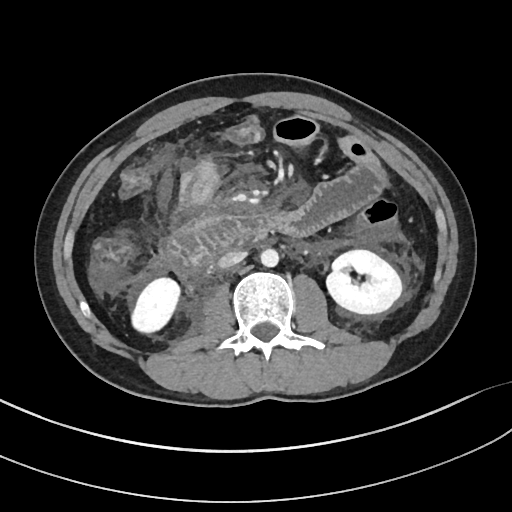

CT, abdomen/pelvis. Axial slice 135/251
<organs><organ name="right kidney" x1="131" y1="278" x2="179" y2="332"/><organ name="inferior vena cava" x1="218" y1="250" x2="246" y2="268"/><organ name="aorta" x1="260" y1="248" x2="278" y2="267"/><organ name="duodenum" x1="167" y1="216" x2="271" y2="276"/><organ name="left kidney" x1="326" y1="249" x2="402" y2="313"/></organs>